Computed tomography, abdomen — axial plane, index 31 — 512x512 px — acquired on SOMATOM Force
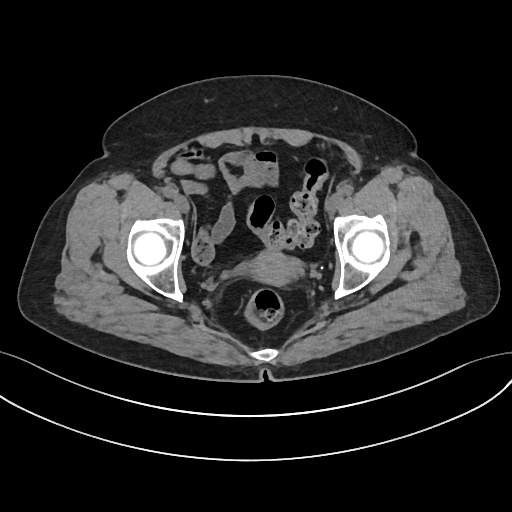
Bounding boxes as [x1, y1, x2, y2] in pixel coordinates.
Organ bounding boxes:
- prostate/uterus: [245, 250, 301, 286]